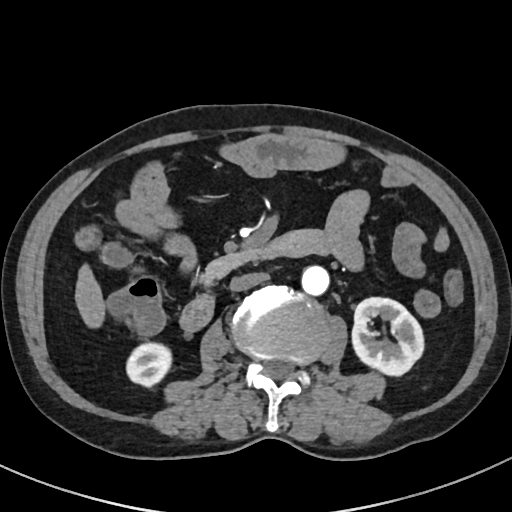

Computed tomography, abdomen · Axial slice 135/303 · W/L 400/40 HU
Boxes: x1:y1:x2:y2 in pixels.
Organ bounding boxes:
- right kidney: 125:343:170:387
- left kidney: 351:298:424:375
- liver: 76:266:104:325
- aorta: 302:265:329:294
- inferior vena cava: 229:272:268:291
- pancreas: 202:246:260:280
- duodenum: 181:230:324:333